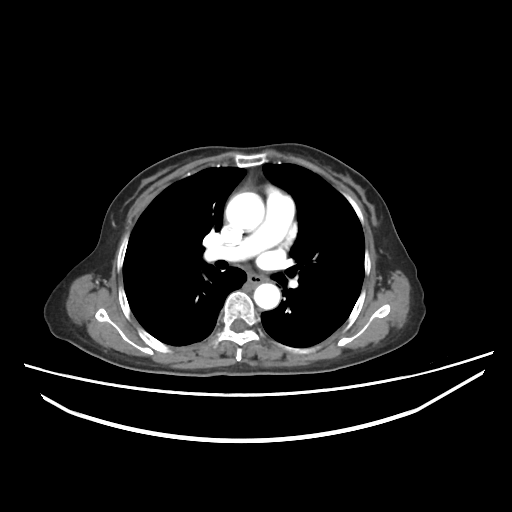
Chest-level slice from an abdominal CT that extends up into the chest. axial view. 512x512 px. 63-year-old female patient. 14 organs annotated in this scan (that count is for the whole scan; organs this slice misses have no box)
On a slice this high in the chest, this dataset labels only the esophagus and the aorta, and each is boxed only where it is labeled; the heart, lungs and other chest structures are not labeled.
One row per box, in pixels: columns x1 and y1 give the top-left corner, x2 and y2 the bottom-right.
| organ | x1 | y1 | x2 | y2 |
|---|---|---|---|---|
| esophagus | 249 | 274 | 278 | 285 |
| aorta | 225 | 194 | 262 | 230 |
| aorta | 254 | 283 | 280 | 309 |